CT abdomen · axial view · soft-tissue window (W 400 / L 40)
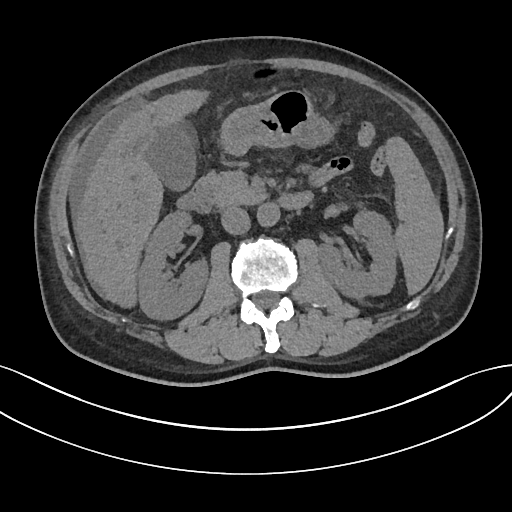 <organs><organ name="spleen" x1="386" y1="137" x2="443" y2="294"/><organ name="right kidney" x1="137" y1="210" x2="208" y2="319"/><organ name="left kidney" x1="319" y1="211" x2="397" y2="298"/><organ name="gall bladder" x1="147" y1="120" x2="197" y2="190"/><organ name="liver" x1="74" y1="89" x2="208" y2="307"/><organ name="stomach" x1="220" y1="90" x2="335" y2="154"/><organ name="aorta" x1="257" y1="202" x2="280" y2="226"/><organ name="inferior vena cava" x1="221" y1="206" x2="250" y2="234"/><organ name="pancreas" x1="201" y1="171" x2="266" y2="206"/><organ name="duodenum" x1="177" y1="180" x2="313" y2="210"/></organs>